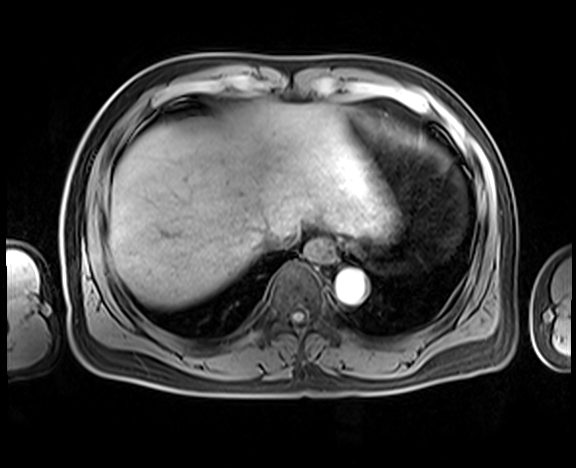 Abdominal MR · axial view · percentile-normalized · 576x468 px · 13 organs annotated in this scan (that count is for the whole scan; organs this slice misses have no box)
One row per box, in pixels: columns x1 and y1 give the top-left corner, x2 and y2 the bottom-right.
| organ | x1 | y1 | x2 | y2 |
|---|---|---|---|---|
| esophagus | 301 | 238 | 335 | 264 |
| inferior vena cava | 259 | 227 | 299 | 251 |
| aorta | 335 | 269 | 365 | 302 |
| stomach | 373 | 231 | 387 | 241 |
| liver | 109 | 102 | 399 | 307 |